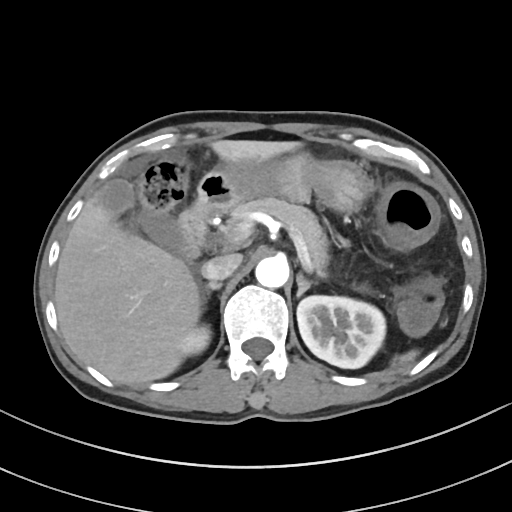
Computed tomography, abdomen. Axial slice 67/89. acquired on SOMATOM Force
Boxes: x1 y1 x2 y2 (pixel coords, space-separated).
Organ bounding boxes:
- spleen: 397 351 416 364
- right kidney: 182 324 210 354
- left kidney: 296 295 385 368
- gall bladder: 98 178 183 253
- liver: 54 140 300 384
- stomach: 210 152 374 212
- aorta: 255 256 288 288
- inferior vena cava: 201 253 241 280
- pancreas: 230 196 329 276
- right adrenal gland: 206 281 222 297
- left adrenal gland: 296 272 311 297
- duodenum: 178 172 234 260